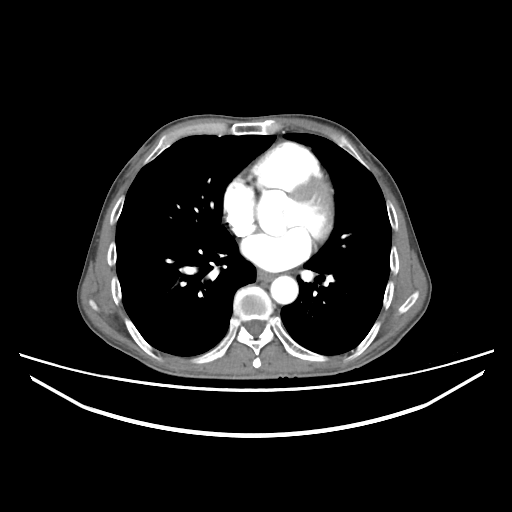

Abdominal CT; this slice is in the lower chest, just above the liver — axial plane, index 84 — W/L 400/40 HU
Of the structures in the chest, this dataset labels only the esophagus, the aorta and the inferior vena cava; the heart and lungs have no label.
Bounding boxes as [x1, y1, x2, y2] in pixel coordinates.
esophagus: [257, 270, 273, 281]
aorta: [270, 275, 298, 304]